Abdominal CT. Axial slice 206/303. soft-tissue window (W 400 / L 40). 512x512 px. acquired on SOMATOM Force
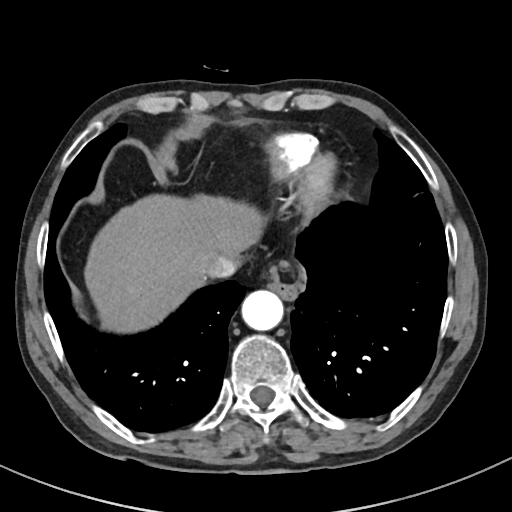
Boxes: x1 y1 x2 y2 (pixel coords, space-separated).
Organ bounding boxes:
- esophagus: 262 261 306 299
- liver: 86 194 262 329
- inferior vena cava: 203 249 245 280
- aorta: 242 290 284 330